CT, abdomen/pelvis · axial plane, index 178
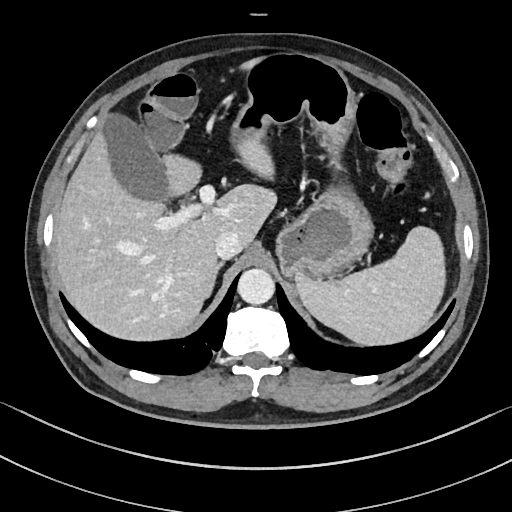

Boxes: x1:y1:x2:y2 in pixels.
Organ bounding boxes:
- spleen: 295:226:445:344
- gall bladder: 102:114:168:201
- liver: 53:58:276:340
- stomach: 230:53:373:279
- aorta: 237:268:274:305
- inferior vena cava: 214:231:243:259
- right adrenal gland: 207:262:223:299